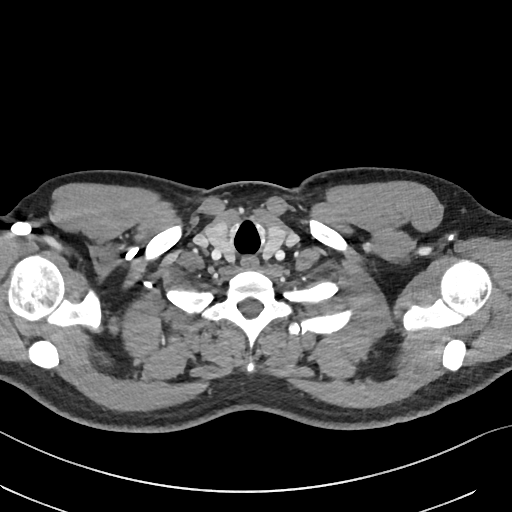

Chest-level slice from an abdominal CT that extends up into the chest. axial view. 512x512 px. scan has 15 labeled organs (that count is for the whole scan; organs this slice misses have no box)
At this level of the chest no structure but the esophagus and the aorta has a label in this dataset, and those two are boxed only where they are labeled.
One row per box, in pixels: columns x1 and y1 give the top-left corner, x2 and y2 the bottom-right.
| organ | x1 | y1 | x2 | y2 |
|---|---|---|---|---|
| esophagus | 240 | 255 | 257 | 267 |